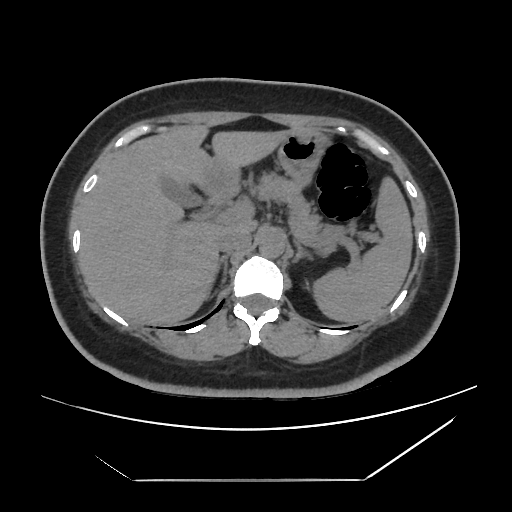

CT, abdomen/pelvis; axial plane, index 251; 512x512 px; acquired on SOMATOM Force
Box edges are left/top/right/bottom in pixels.
liver: left=79, top=125, right=292, bottom=325
pancreas: left=251, top=171, right=346, bottom=250
stomach: left=195, top=130, right=327, bottom=197
duodenum: left=208, top=195, right=233, bottom=209
left adrenal gland: left=293, top=240, right=312, bottom=262
spleen: left=314, top=178, right=412, bottom=322
aorta: left=258, top=231, right=284, bottom=257
inferior vena cava: left=217, top=230, right=251, bottom=253
gall bladder: left=158, top=172, right=201, bottom=208
left kidney: left=303, top=279, right=309, bottom=289
right adrenal gland: left=214, top=254, right=228, bottom=281